CT, abdomen/pelvis · axial view · 512x512 px · SOMATOM Force scanner · scan has 15 labeled organs (a whole-scan count: organs this slice does not pass through have no box)
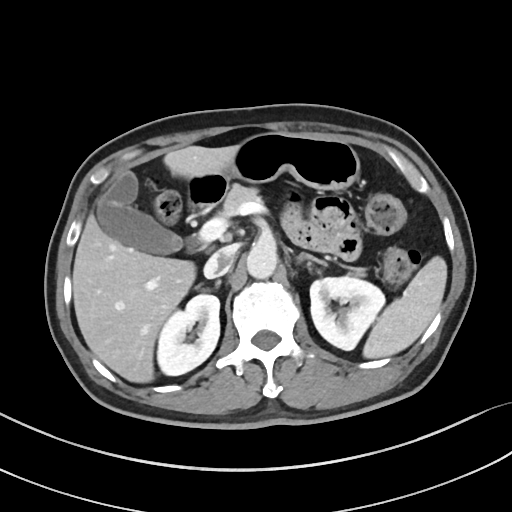

<organs><organ name="spleen" x1="363" y1="256" x2="447" y2="358"/><organ name="right kidney" x1="157" y1="294" x2="219" y2="375"/><organ name="left kidney" x1="310" y1="276" x2="384" y2="350"/><organ name="gall bladder" x1="97" y1="171" x2="182" y2="253"/><organ name="liver" x1="72" y1="145" x2="236" y2="382"/><organ name="stomach" x1="211" y1="132" x2="359" y2="190"/><organ name="aorta" x1="246" y1="244" x2="277" y2="279"/><organ name="inferior vena cava" x1="204" y1="247" x2="235" y2="278"/><organ name="pancreas" x1="221" y1="184" x2="363" y2="275"/><organ name="left adrenal gland" x1="297" y1="252" x2="327" y2="266"/><organ name="duodenum" x1="185" y1="175" x2="228" y2="209"/></organs>